Computed tomography, abdomen. axial plane, index 31. 512x512 px
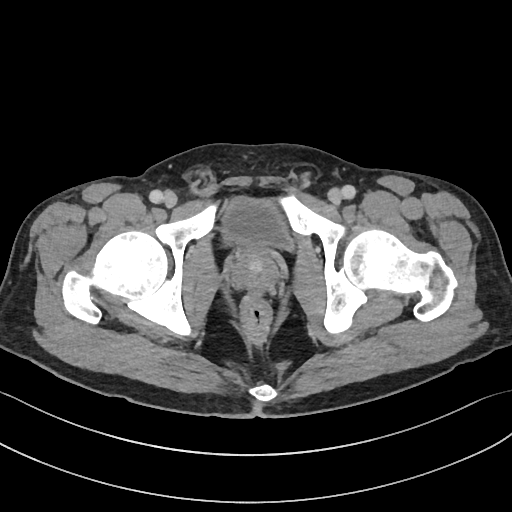

Each box given as x1,y1,x2,y2.
Organ bounding boxes:
- bladder: x1=223, y1=196, x2=293, y2=251
- prostate/uterus: x1=232, y1=250, x2=278, y2=289